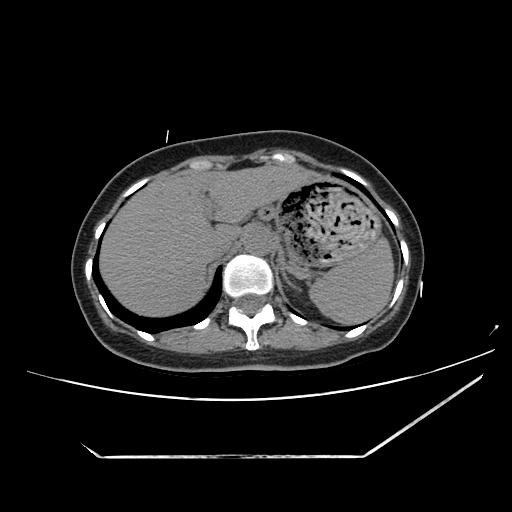 CT abdomen — Axial slice 120/143 — 512x512 px
Bounding boxes in pixels, one row per box: x1, y1 is the top-left corner and x2, y2 the bottom-right.
| organ | x1 | y1 | x2 | y2 |
|---|---|---|---|---|
| spleen | 307 | 237 | 392 | 323 |
| liver | 101 | 164 | 318 | 317 |
| stomach | 258 | 178 | 378 | 270 |
| aorta | 244 | 228 | 277 | 256 |
| inferior vena cava | 205 | 237 | 236 | 260 |
| left adrenal gland | 282 | 271 | 295 | 288 |